CT abdomen · Axial slice 193/236
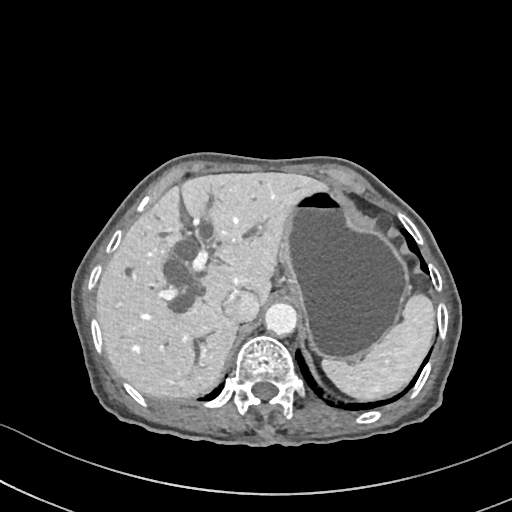

{"organs":{"spleen":[322,294,434,400],"liver":[96,172,326,398],"stomach":[278,186,410,361],"aorta":[265,303,296,335],"inferior vena cava":[222,291,259,322]}}